Computed tomography, abdomen · Axial slice 72/134 · soft-tissue window · 512x512 px · 15 organs annotated in this scan (that count is for the whole scan; organs this slice misses have no box)
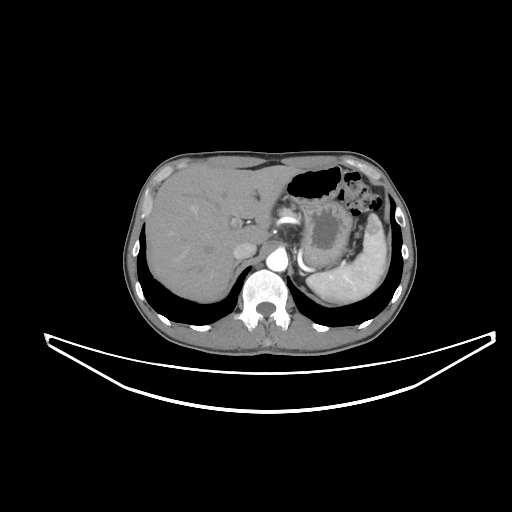 Boxes: x1:y1:x2:y2 in pixels.
spleen: 306:213:386:303
liver: 148:163:302:302
stomach: 284:165:352:266
aorta: 266:250:287:271
inferior vena cava: 232:241:256:259
pancreas: 278:207:300:219
right adrenal gland: 232:260:241:273